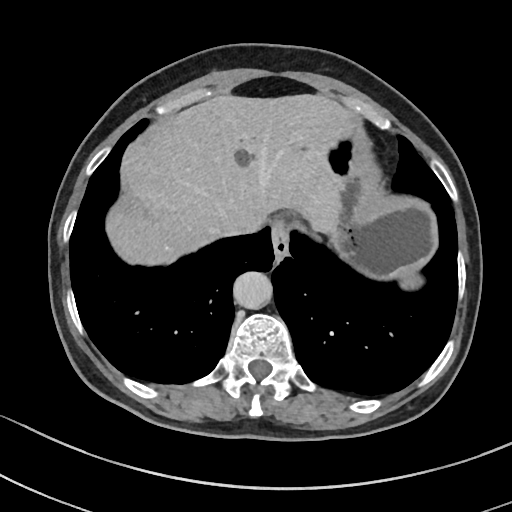

CT, abdomen/pelvis; axial view; 512x512 px
Bounding boxes in pixels, one row per box: x1, y1 is the top-left corner and x2, y2 the bottom-right.
| organ | x1 | y1 | x2 | y2 |
|---|---|---|---|---|
| aorta | 232 | 271 | 271 | 309 |
| inferior vena cava | 219 | 228 | 257 | 237 |
| esophagus | 271 | 219 | 290 | 260 |
| liver | 106 | 94 | 351 | 263 |
| stomach | 320 | 123 | 438 | 288 |